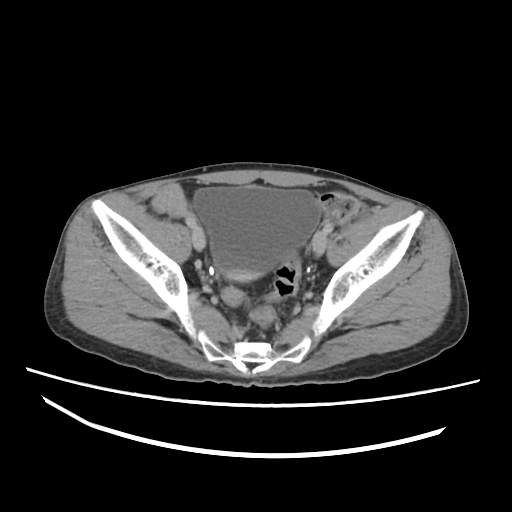

CT, abdomen/pelvis. Axial slice 33/101. 512x512 px
{"organs":{"bladder":[193,186,321,282]}}